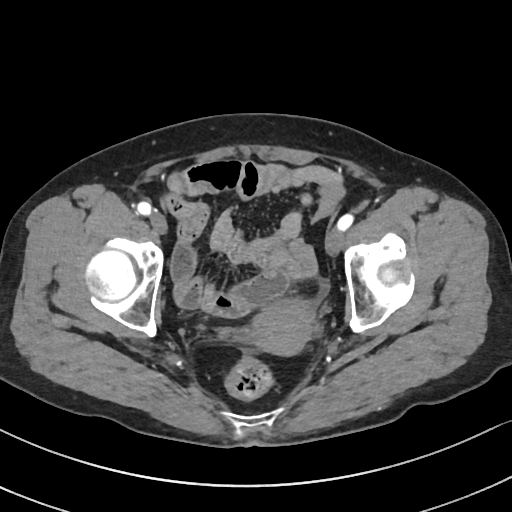
CT abdomen — axial view
Box edges are left/top/right/bottom in pixels.
prostate/uterus: left=248, top=298, right=317, bottom=355